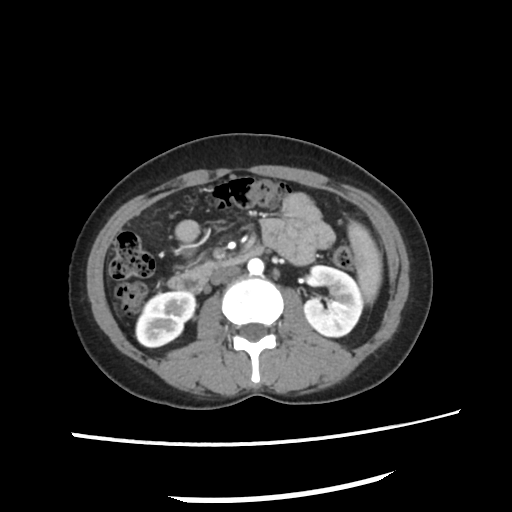

Computed tomography, abdomen — axial view — 512x512 px
Boxes are (x1, y1, x2, y2) in pixels.
Organ bounding boxes:
- spleen: (346, 222, 383, 302)
- right kidney: (136, 291, 195, 347)
- left kidney: (305, 265, 362, 336)
- aorta: (247, 258, 263, 274)
- inferior vena cava: (209, 267, 239, 284)
- duodenum: (167, 249, 264, 291)